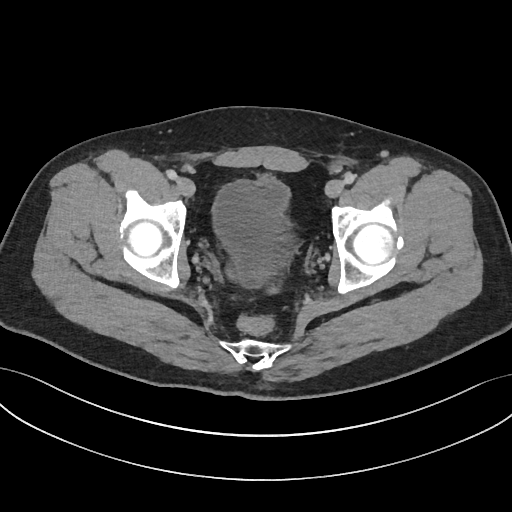

CT abdomen; axial view; SOMATOM Force scanner
<organs><organ name="bladder" x1="211" y1="175" x2="291" y2="288"/></organs>